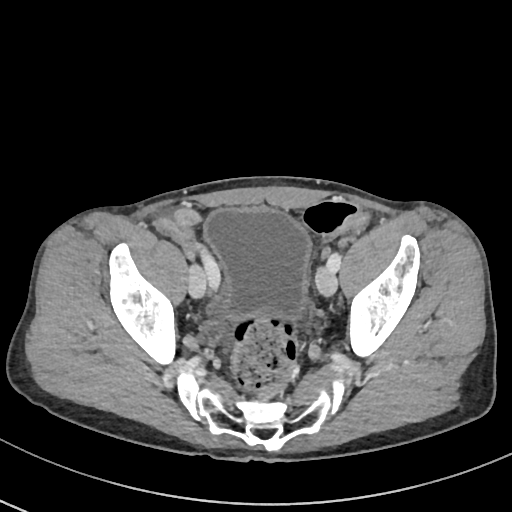 Abdominal CT; axial view; scan has 15 labeled organs (counted over the whole 3D scan, not this slice; an organ is boxed only where this slice passes through it)
Each box given as x1,y1,x2,y2.
bladder: x1=205, y1=208, x2=309, y2=319